Abdominal CT reaching into the chest; this slice is in the chest · axial view · W/L 400/40 HU · 768x768 px · 34-year-old female patient · scan has 13 labeled organs (that count is for the whole scan; organs this slice misses have no box)
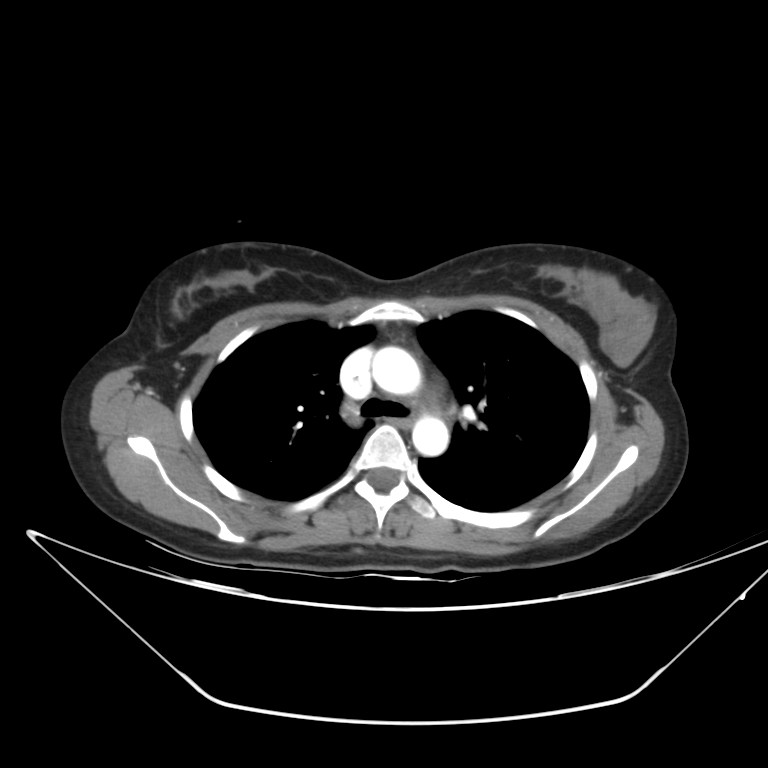 On a slice this high in the chest, this dataset labels only the esophagus and the aorta, and each is boxed only where it is labeled; the heart, lungs and other chest structures are not labeled.
Bounding boxes as [x1, y1, x2, y2] in pixel coordinates.
esophagus: [389, 418, 411, 429]
aorta: [372, 346, 422, 396]
aorta: [412, 414, 449, 456]